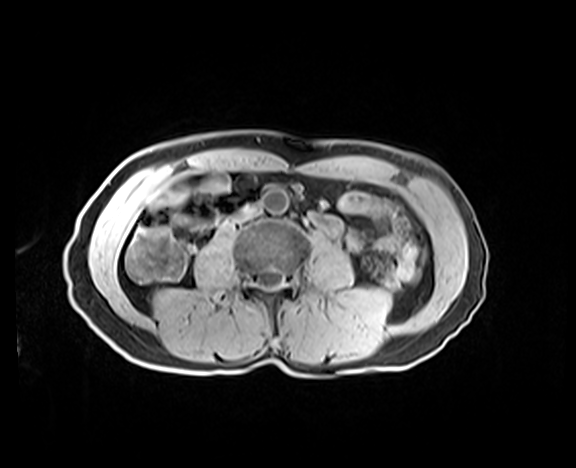 Abdominal MR; axial view; 1st–99th percentile window
{"organs":{"aorta":[263,189,288,214],"inferior vena cava":[236,206,258,221]}}